CT, abdomen/pelvis. Axial slice 11/85. 31-year-old female patient
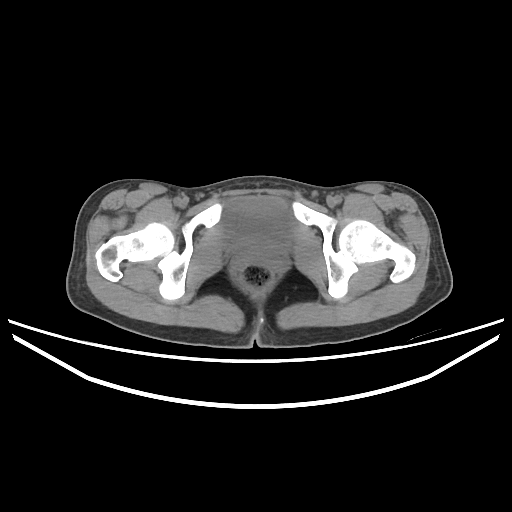
{"organs":{"bladder":[219,196,296,256]}}